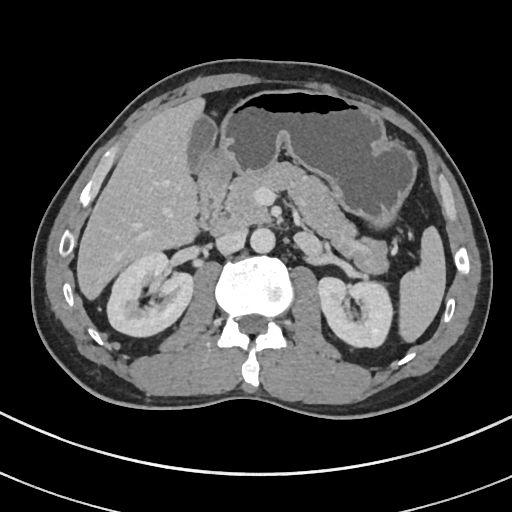
CT abdomen · axial view · 15 organs annotated in this scan (that count is for the whole scan; organs this slice misses have no box)
Each box given as x1,y1,x2,y2.
Organ bounding boxes:
- right kidney: x1=107, y1=252, x2=193, y2=337
- inferior vena cava: x1=216, y1=229, x2=246, y2=254
- duodenum: x1=198, y1=188, x2=229, y2=234
- aorta: x1=250, y1=228, x2=275, y2=253
- gall bladder: x1=188, y1=115, x2=217, y2=173
- left kidney: x1=318, y1=277, x2=392, y2=347
- liver: x1=76, y1=96, x2=205, y2=299
- stomach: x1=198, y1=90, x2=417, y2=228
- spleen: x1=398, y1=226, x2=445, y2=342
- pancreas: x1=224, y1=162, x2=388, y2=273